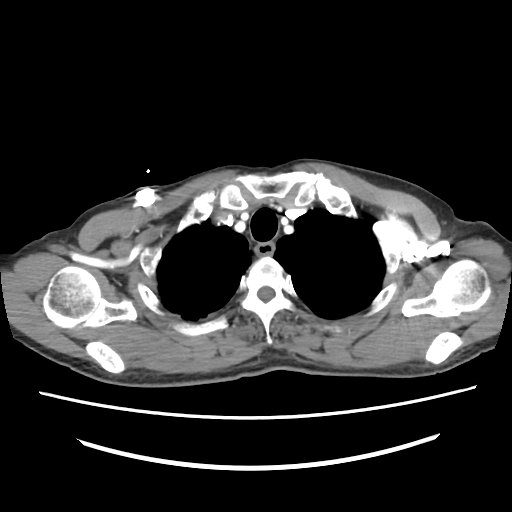
CT of the abdomen extending into the chest, slice through the chest — axial plane, index 124 — 512x512 px — Aquilion ONE scanner — 15 organs annotated in this scan (that count is for the whole scan; organs this slice misses have no box)
At this level of the chest this dataset labels only the esophagus and the aorta, and each is boxed only where it is labeled; the heart and lungs are never labeled.
Bounding boxes in pixels, one row per box: x1, y1 is the top-left corner and x2, y2 the bottom-right.
| organ | x1 | y1 | x2 | y2 |
|---|---|---|---|---|
| esophagus | 255 | 242 | 274 | 255 |